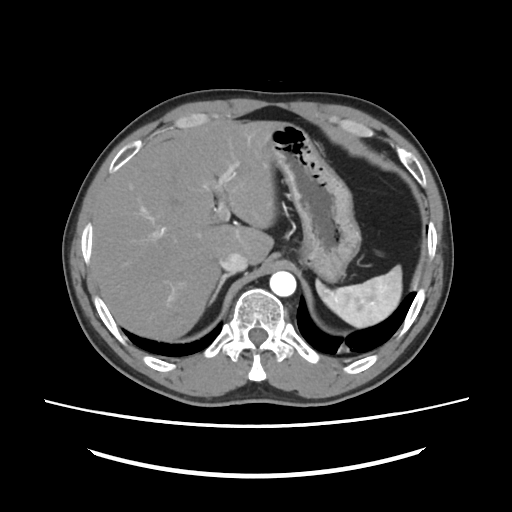 CT, abdomen/pelvis. axial view. W/L 400/40 HU
Bounding boxes in pixels, one row per box: x1, y1 is the top-left corner and x2, y2 the bottom-right.
| organ | x1 | y1 | x2 | y2 |
|---|---|---|---|---|
| spleen | 317 | 265 | 401 | 327 |
| liver | 92 | 121 | 276 | 340 |
| stomach | 268 | 122 | 360 | 281 |
| aorta | 269 | 271 | 296 | 296 |
| inferior vena cava | 219 | 252 | 247 | 273 |
| right adrenal gland | 209 | 273 | 232 | 304 |